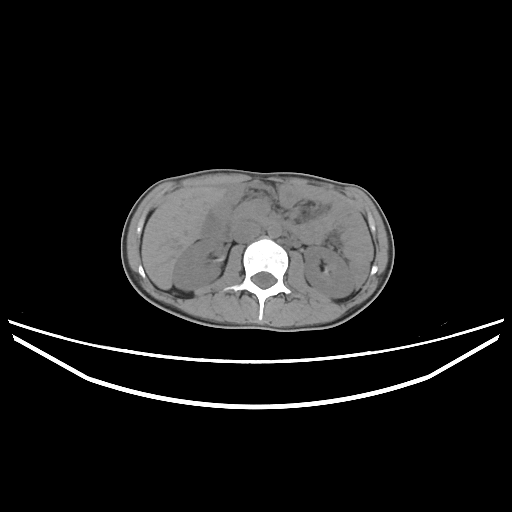
Abdominal CT · Axial slice 59/85 · 512x512 px · scan has 15 labeled organs (a whole-scan count: organs this slice does not pass through have no box)
Boxes: x1 y1 x2 y2 (pixel coords, space-separated).
Organ bounding boxes:
- aorta: 267 224 281 237
- gall bladder: 201 210 222 236
- pancreas: 234 202 265 224
- inferior vena cava: 233 222 260 242
- duodenum: 215 217 281 241
- right kidney: 172 237 224 290
- left kidney: 304 246 354 297
- liver: 141 186 226 289